Abdominal CT. axial plane, index 71
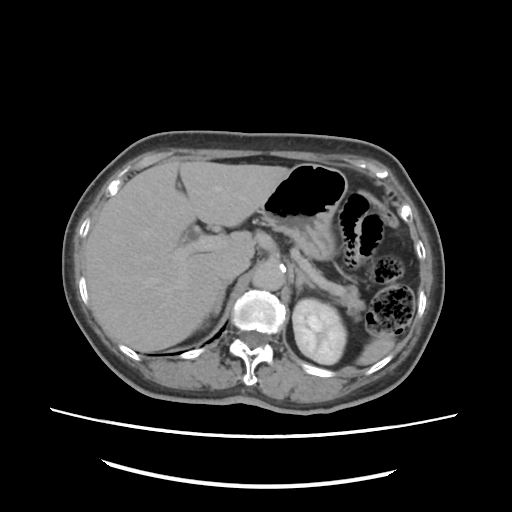

Boxes: x1 y1 x2 y2 (pixel coords, space-separated). The annotated organs in this slice are: spleen at 356 336 394 366, left kidney at 292 298 348 364, liver at 84 160 290 352, stomach at 260 163 348 260, aorta at 253 261 282 289, inferior vena cava at 216 248 250 281, pancreas at 295 242 363 320, right adrenal gland at 215 285 226 316, left adrenal gland at 293 265 317 293.